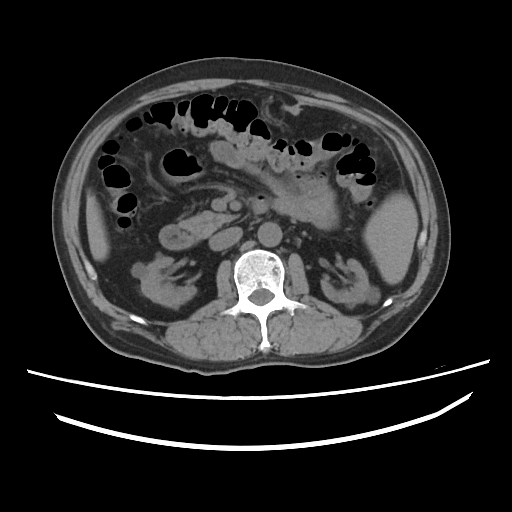
Abdominal CT; Axial slice 69/95; abdomen soft-tissue window
Boxes: x1 y1 x2 y2 (pixel coords, space-separated).
Organ bounding boxes:
- spleen: 364 192 418 284
- right kidney: 134 256 196 307
- left kidney: 321 259 378 305
- liver: 86 194 108 260
- aorta: 258 222 281 246
- inferior vena cava: 209 227 242 250
- pancreas: 179 211 236 238
- duodenum: 159 196 269 249